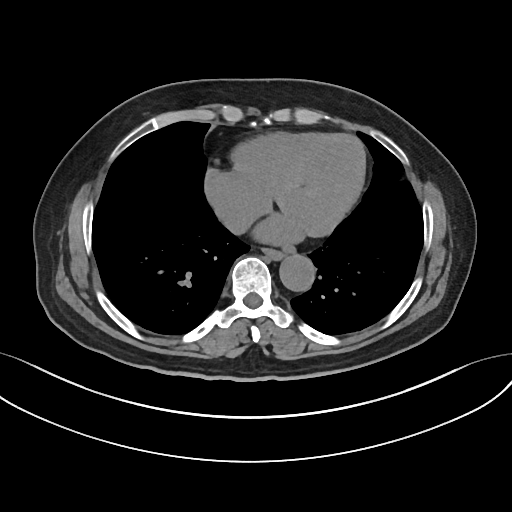 Lower-chest slice from an abdominal CT, just above the liver and spleen — axial view — 512x512 px — acquired on SOMATOM Force — scan has 15 labeled organs (a whole-scan count: organs this slice does not pass through have no box)
The heart and lungs are never labeled in this dataset, so they have no box on this slice.
Organ boxes in pixel coordinates; each row gives the top-left (x1, y1) and bottom-right (x2, y2) corners.
| organ | x1 | y1 | x2 | y2 |
|---|---|---|---|---|
| inferior vena cava | 224 | 210 | 252 | 234 |
| esophagus | 262 | 248 | 284 | 260 |
| aorta | 279 | 254 | 315 | 291 |